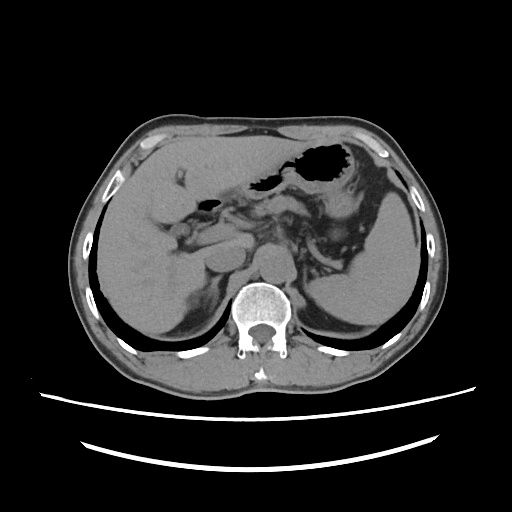

CT abdomen; Axial slice 71/87; W/L 400/40 HU; 512x512 px
{"organs":{"spleen":[308,192,418,323],"gall bladder":[170,223,192,236],"liver":[97,135,309,335],"stomach":[230,142,357,218],"aorta":[258,253,287,283],"inferior vena cava":[205,244,246,272],"pancreas":[253,196,308,214],"right adrenal gland":[211,275,221,293],"left adrenal gland":[302,263,309,293],"duodenum":[194,198,225,214]}}